CT, abdomen/pelvis; axial plane, index 176; scan has 15 labeled organs (counted over the whole 3D scan, not this slice; an organ is boxed only where this slice passes through it)
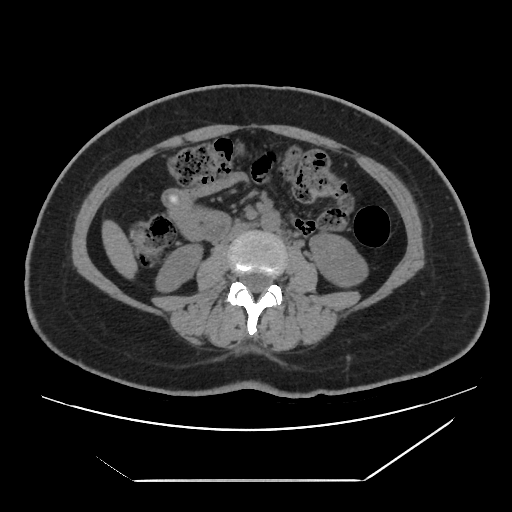

{"organs":{"right kidney":[157,246,200,289],"left kidney":[311,234,366,284],"liver":[103,222,135,273],"aorta":[261,211,280,231],"inferior vena cava":[223,224,249,242]}}